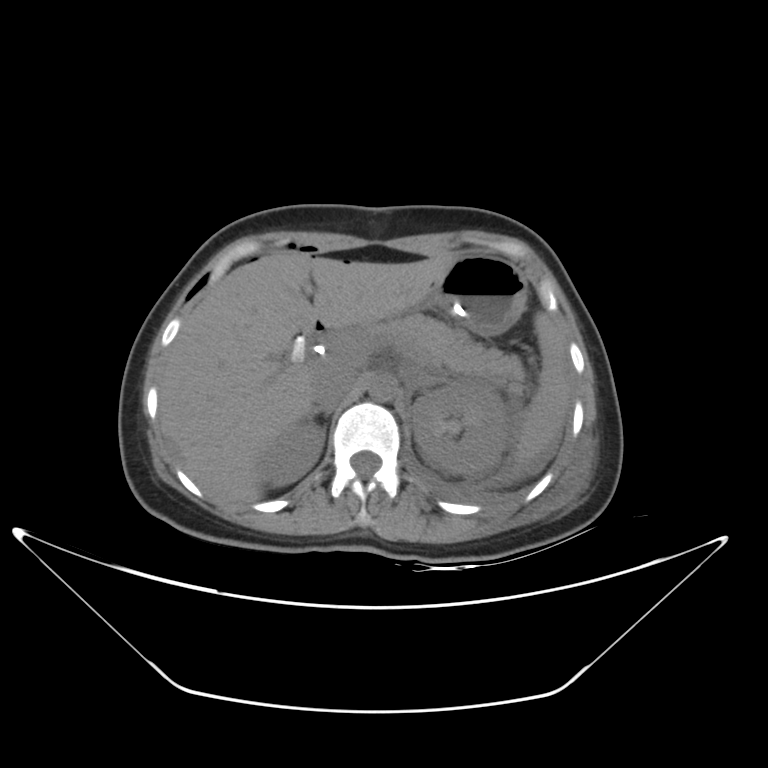

CT, abdomen/pelvis. axial plane, index 69. 768x768 px
{"organs":{"right adrenal gland":[300,404,336,425],"aorta":[369,377,396,401],"left kidney":[411,381,512,476],"right kidney":[257,420,323,487],"inferior vena cava":[311,370,356,405],"stomach":[433,255,526,334],"left adrenal gland":[412,374,448,386],"spleen":[516,311,570,461],"liver":[158,251,457,506],"duodenum":[304,326,322,341],"pancreas":[385,316,523,389]}}